Computed tomography, abdomen. Axial slice 203/303. abdomen soft-tissue window
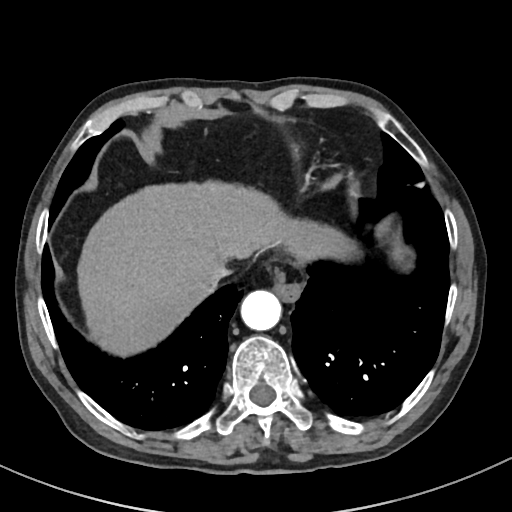 <organs><organ name="esophagus" x1="271" y1="269" x2="302" y2="302"/><organ name="liver" x1="79" y1="183" x2="352" y2="355"/><organ name="aorta" x1="241" y1="290" x2="281" y2="330"/><organ name="inferior vena cava" x1="208" y1="264" x2="230" y2="286"/></organs>